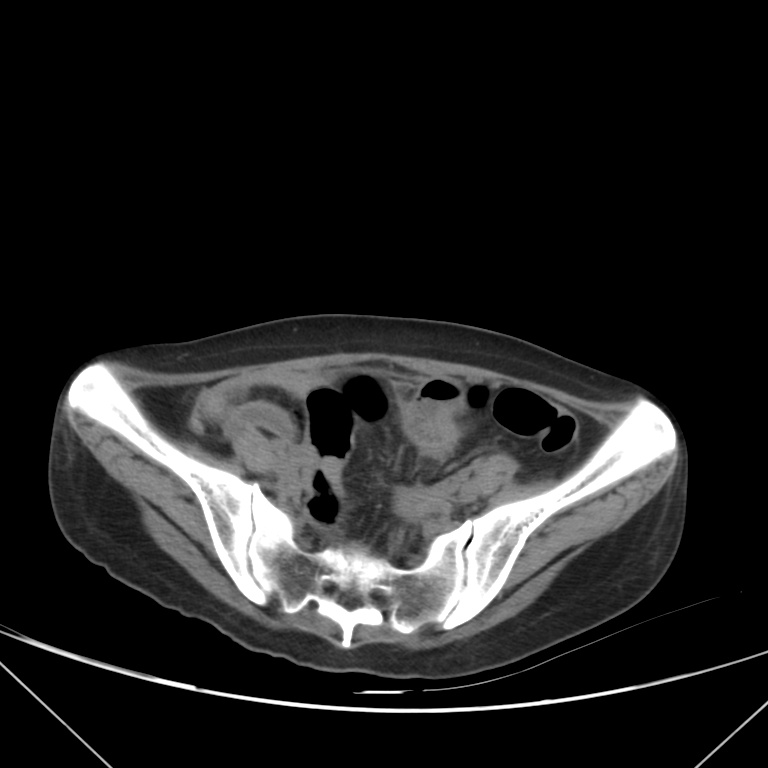

CT abdomen · axial plane, index 29 · soft-tissue window · 768x768 px · scan has 15 labeled organs (counted over the whole 3D scan, not this slice; an organ is boxed only where this slice passes through it)
Bounding boxes in pixels, one row per box: x1, y1 is the top-left corner and x2, y2 the bottom-right.
| organ | x1 | y1 | x2 | y2 |
|---|---|---|---|---|
| prostate/uterus | 394 | 488 | 437 | 518 |